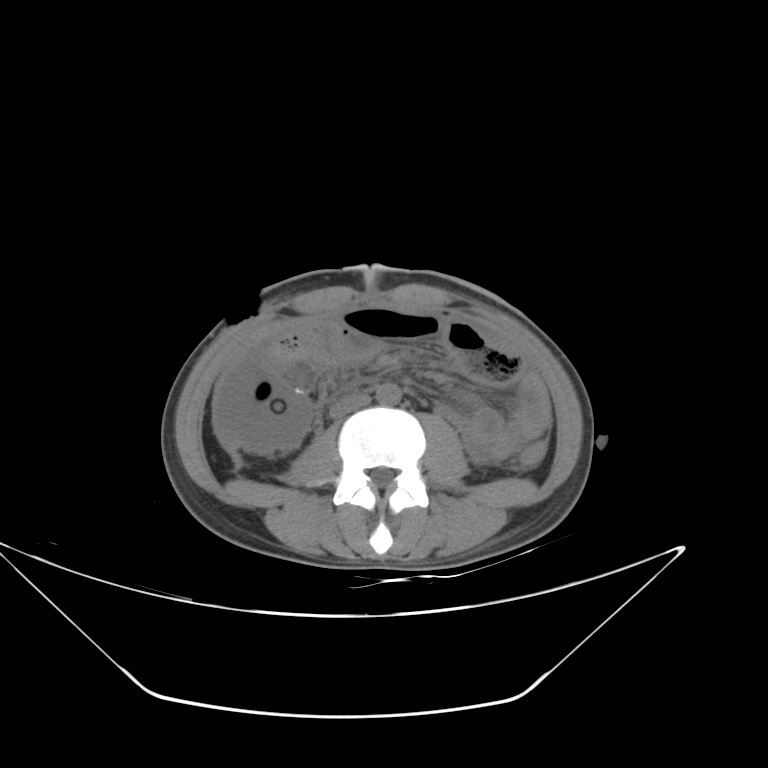

Computed tomography, abdomen. axial plane, index 51. abdomen soft-tissue window. 768x768 px. Brilliance16 scanner
<organs><organ name="aorta" x1="376" y1="383" x2="400" y2="405"/><organ name="inferior vena cava" x1="329" y1="394" x2="370" y2="418"/></organs>